CT abdomen; axial plane, index 15
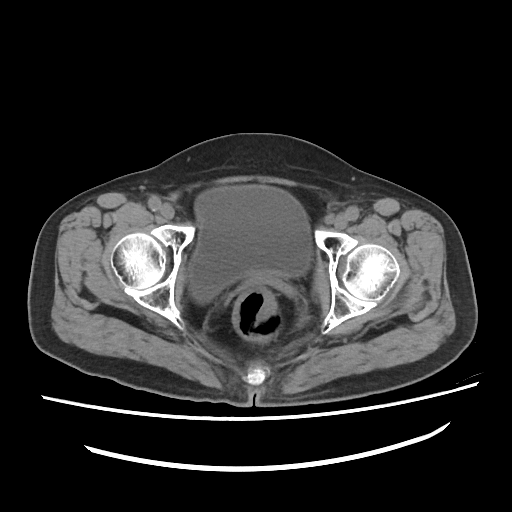
<organs><organ name="bladder" x1="189" y1="185" x2="311" y2="302"/></organs>